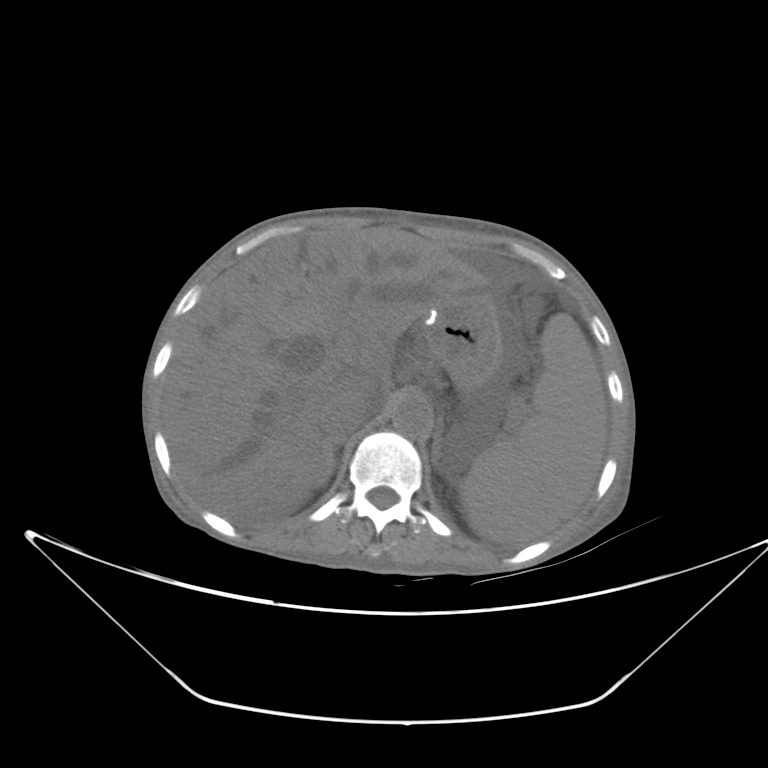
Computed tomography, abdomen. axial view. 56-year-old female patient
Bounding boxes in pixels, one row per box: x1, y1 is the top-left corner and x2, y2 the bottom-right.
| organ | x1 | y1 | x2 | y2 |
|---|---|---|---|---|
| spleen | 459 | 313 | 607 | 543 |
| liver | 161 | 227 | 484 | 526 |
| stomach | 421 | 286 | 502 | 392 |
| aorta | 392 | 395 | 432 | 437 |
| inferior vena cava | 328 | 393 | 377 | 439 |
| right adrenal gland | 317 | 437 | 345 | 487 |
| left adrenal gland | 432 | 418 | 443 | 468 |